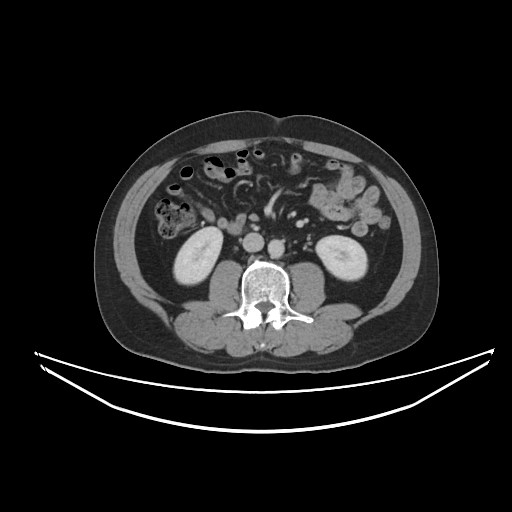 CT abdomen · axial view · abdomen soft-tissue window · 512x512 px · 40-year-old male patient
Organ boxes in pixel coordinates; each row gives the top-left (x1, y1) and bottom-right (x2, y2) corners.
| organ | x1 | y1 | x2 | y2 |
|---|---|---|---|---|
| right kidney | 173 | 226 | 222 | 284 |
| left kidney | 316 | 235 | 367 | 280 |
| aorta | 268 | 239 | 284 | 257 |
| inferior vena cava | 242 | 232 | 263 | 251 |